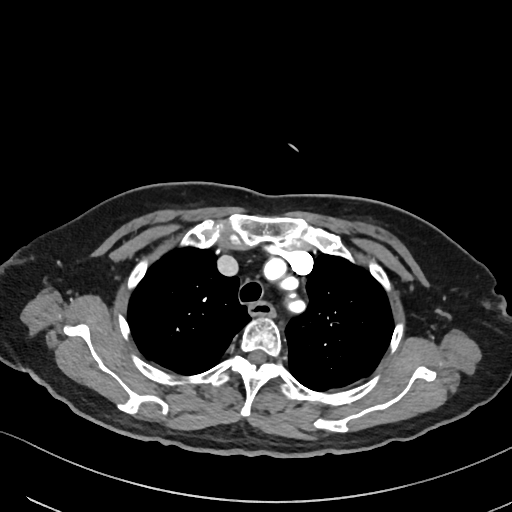
Abdominal CT reaching into the chest; this slice is in the chest. axial view. 512x512 px
At this level of the chest no structure but the esophagus and the aorta has a label in this dataset, and those two are boxed only where they are labeled.
Boxes are (x1, y1, x2, y2) in pixels.
aorta: (282, 294, 303, 314)
esophagus: (249, 302, 273, 316)